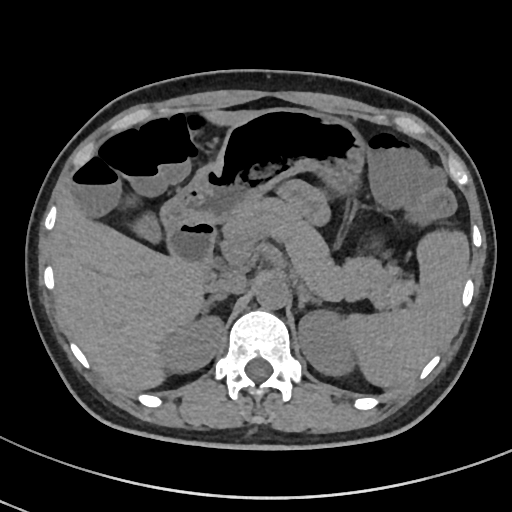 CT abdomen — Axial slice 171/218 — W/L 400/40 HU — 512x512 px — acquired on SOMATOM Force — scan has 15 labeled organs (that count is for the whole scan; organs this slice misses have no box)
Each box given as x1,y1,x2,y2. The annotated organs in this slice are: right adrenal gland at x1=199, y1=295, x2=227, y2=315, stomach at x1=161, y1=107, x2=364, y2=231, inferior vena cava at x1=208, y1=273, x2=246, y2=294, pancreas at x1=225, y1=198, x2=410, y2=307, left adrenal gland at x1=297, y1=286, x2=321, y2=309, aorta at x1=255, y1=278, x2=288, y2=310, gall bladder at x1=134, y1=215, x2=160, y2=243, spleen at x1=346, y1=230, x2=469, y2=388, liver at x1=52, y1=109, x2=260, y2=391, duodenum at x1=169, y1=221, x2=215, y2=274, left kidney at x1=296, y1=311, x2=354, y2=373, right kidney at x1=164, y1=317, x2=221, y2=369.